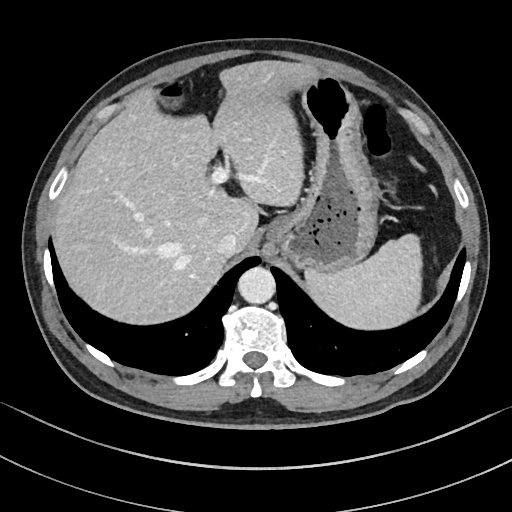
Computed tomography, abdomen. axial view
{"organs":{"stomach":[268,70,378,274],"inferior vena cava":[217,233,239,258],"liver":[52,59,318,326],"aorta":[238,267,275,304],"spleen":[303,232,422,330]}}